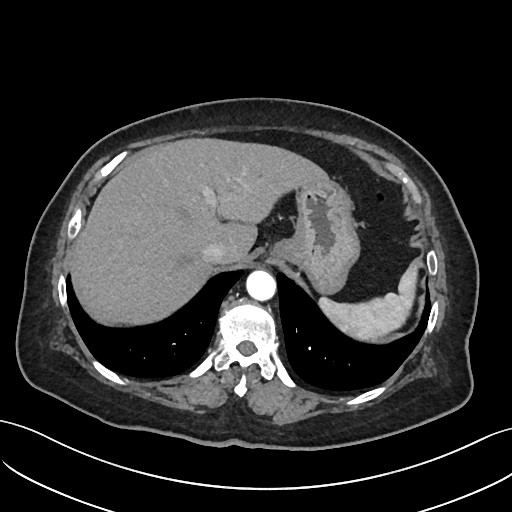

CT abdomen. Axial slice 163/276. 15 organs annotated in this scan (that count is for the whole scan; organs this slice misses have no box)
<organs><organ name="spleen" x1="318" y1="261" x2="416" y2="339"/><organ name="liver" x1="70" y1="137" x2="327" y2="325"/><organ name="stomach" x1="275" y1="176" x2="360" y2="295"/><organ name="aorta" x1="246" y1="269" x2="275" y2="300"/><organ name="inferior vena cava" x1="201" y1="242" x2="227" y2="264"/></organs>